Chest-level CT slice, above the liver and spleen. axial view. 512x512 px. SOMATOM Force scanner
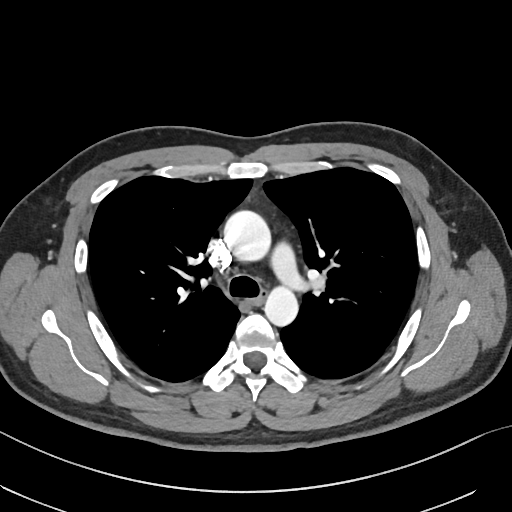 On a slice this high in the chest, this dataset labels only the esophagus and the aorta, and each is boxed only where it is labeled; the heart, lungs and other chest structures are not labeled.
Organ boxes in pixel coordinates; each row gives the top-left (x1, y1) and bottom-right (x2, y2) corners.
| organ | x1 | y1 | x2 | y2 |
|---|---|---|---|---|
| esophagus | 251 | 290 | 267 | 305 |
| aorta | 224 | 210 | 270 | 261 |
| aorta | 264 | 286 | 298 | 326 |